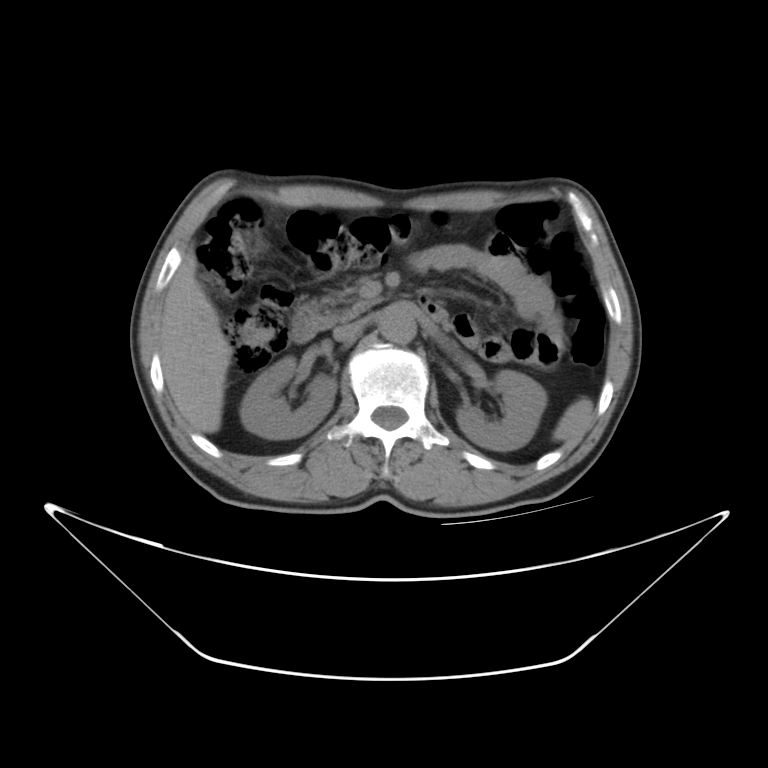
Abdominal CT · Axial slice 63/90 · W/L 400/40 HU · 59-year-old male patient · Brilliance16 scanner · scan has 15 labeled organs (a whole-scan count: organs this slice does not pass through have no box)
Each box given as x1,y1,x2,y2.
Organ bounding boxes:
- spleen: x1=553, y1=398, x2=595, y2=442
- right kidney: x1=241, y1=357, x2=336, y2=437
- left kidney: x1=458, y1=370, x2=545, y2=449
- liver: x1=162, y1=257, x2=235, y2=433
- aorta: x1=380, y1=311, x2=417, y2=342
- inferior vena cava: x1=334, y1=319, x2=368, y2=342
- pancreas: x1=315, y1=283, x2=375, y2=324
- duodenum: x1=286, y1=293, x2=451, y2=342